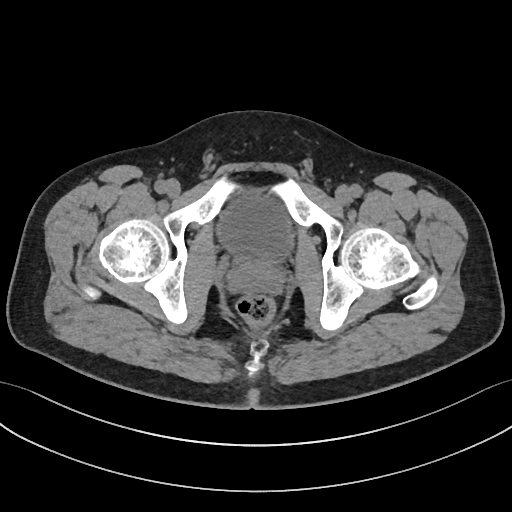

Abdominal CT — axial plane, index 25 — 512x512 px
Organ boxes in pixel coordinates; each row gives the top-left (x1, y1) and bottom-right (x2, y2) corners.
| organ | x1 | y1 | x2 | y2 |
|---|---|---|---|---|
| bladder | 216 | 195 | 293 | 263 |
| prostate/uterus | 229 | 261 | 281 | 292 |